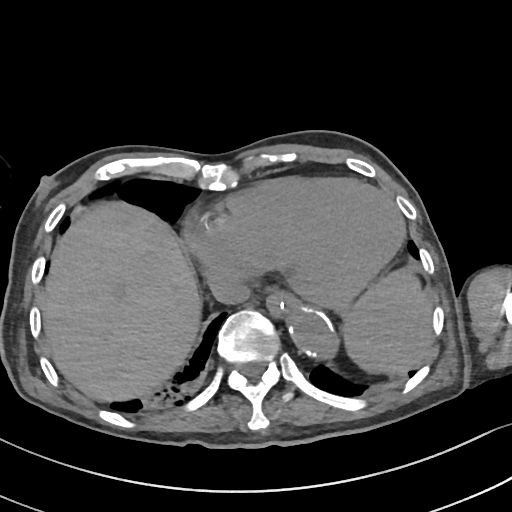
CT abdomen. axial view. 512x512 px. scan has 15 labeled organs (counted over the whole 3D scan, not this slice; an organ is boxed only where this slice passes through it)
Boxes are (x1, y1, x2, y2) in pixels. The annotated organs in this slice are: spleen at (346, 273, 431, 374), esophagus at (266, 293, 300, 318), liver at (43, 202, 200, 400), aorta at (285, 309, 337, 357), inferior vena cava at (208, 269, 250, 304).